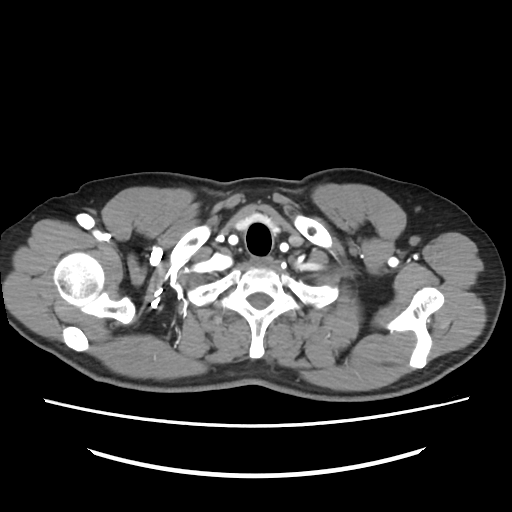
Chest-level CT slice, above the liver and spleen — axial view — soft-tissue window (W 400 / L 40) — 512x512 px — acquired on Aquilion ONE
On a slice this high in the chest, this dataset labels only the esophagus and the aorta, and each is boxed only where it is labeled; the heart, lungs and other chest structures are not labeled.
Each box given as x1,y1,x2,y2.
Organ bounding boxes:
- esophagus: x1=250, y1=256, x2=271, y2=264